CT abdomen; axial view; soft-tissue window (W 400 / L 40); SOMATOM Force scanner
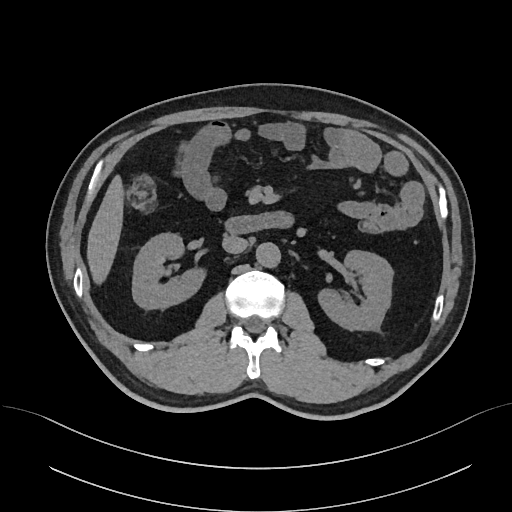
Boxes are (x1, y1, x2, y2) in pixels.
Organ bounding boxes:
- right kidney: (132, 232, 202, 308)
- left kidney: (319, 250, 393, 329)
- liver: (88, 177, 122, 279)
- aorta: (255, 242, 279, 266)
- inferior vena cava: (222, 235, 248, 253)
- duodenum: (227, 211, 291, 233)